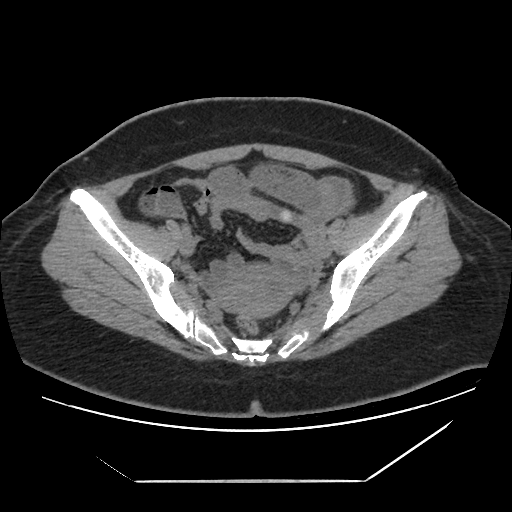
CT, abdomen/pelvis — axial view
Boxes: x1:y1:x2:y2 in pixels.
prostate/uterus: 218:265:293:316